CT abdomen; Axial slice 79/82; W/L 400/40 HU; 768x768 px; 30-year-old male patient; acquired on Brilliance16; scan has 15 labeled organs (that count is for the whole scan; organs this slice misses have no box)
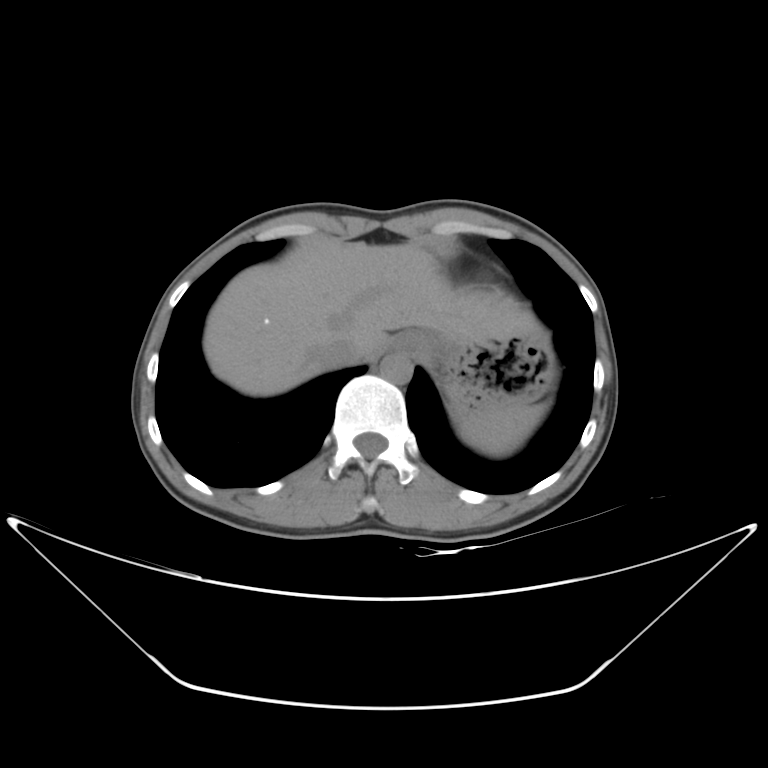
<organs><organ name="spleen" x1="459" y1="402" x2="548" y2="455"/><organ name="esophagus" x1="391" y1="331" x2="424" y2="355"/><organ name="liver" x1="203" y1="238" x2="539" y2="396"/><organ name="stomach" x1="421" y1="332" x2="555" y2="421"/><organ name="aorta" x1="380" y1="352" x2="413" y2="384"/><organ name="inferior vena cava" x1="316" y1="338" x2="363" y2="368"/></organs>